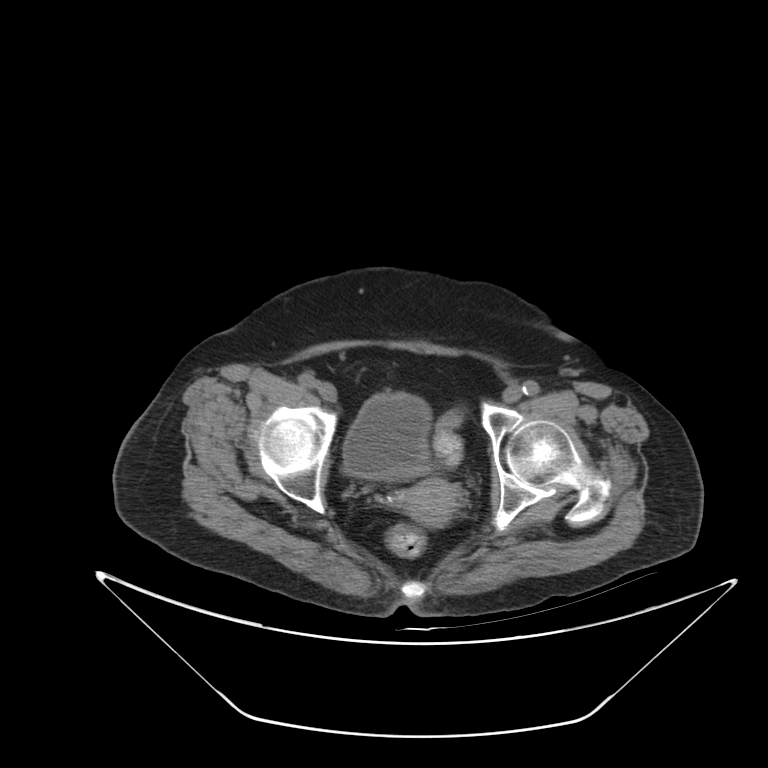
Abdominal CT · axial plane, index 16
Boxes: x1:y1:x2:y2 in pixels.
bladder: 343:394:430:479
prostate/uterus: 397:478:459:526